Abdominal CT; axial view; soft-tissue window; acquired on SOMATOM Force
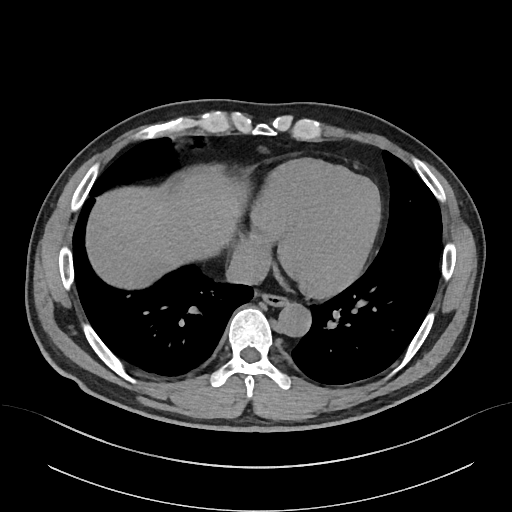

Box edges are left/top/right/bottom in pixels.
esophagus: left=262, top=293, right=288, bottom=306
liver: left=86, top=171, right=248, bottom=289
aorta: left=278, top=303, right=311, bottom=336
inferior vena cava: left=226, top=246, right=270, bottom=284